CT abdomen; axial view; W/L 400/40 HU; 512x512 px; acquired on SOMATOM Force; 15 organs annotated in this scan (counted over the whole 3D scan, not this slice; an organ is boxed only where this slice passes through it)
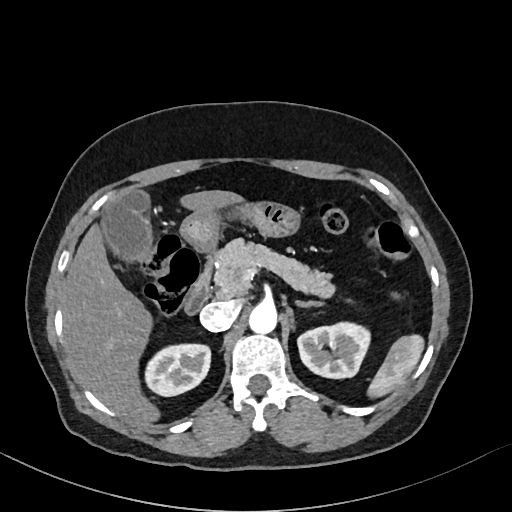
Boxes: x1:y1:x2:y2 in pixels.
Organ bounding boxes:
- left adrenal gland: 295:300:324:307
- duodenum: 184:257:214:314
- stomach: 180:201:300:252
- aorta: 249:302:277:334
- gall bladder: 103:191:151:260
- pancreas: 214:238:335:298
- right kidney: 145:344:210:396
- inferior vena cava: 200:301:239:330
- spleen: 367:334:424:398
- liver: 63:190:243:424
- left kidney: 297:322:370:378